Computed tomography, abdomen. axial view. soft-tissue window (W 400 / L 40). 512x512 px
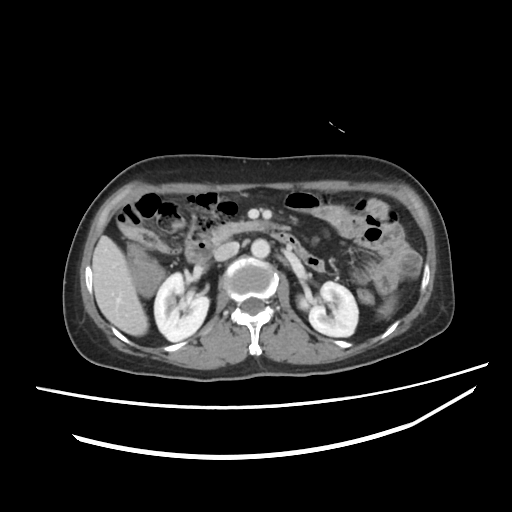

{"organs":{"spleen":[379,301,393,316],"right kidney":[154,272,209,341],"left kidney":[298,281,358,337],"liver":[92,235,148,335],"aorta":[251,239,269,258],"inferior vena cava":[213,241,239,260],"pancreas":[211,221,261,243],"duodenum":[185,231,307,263]}}